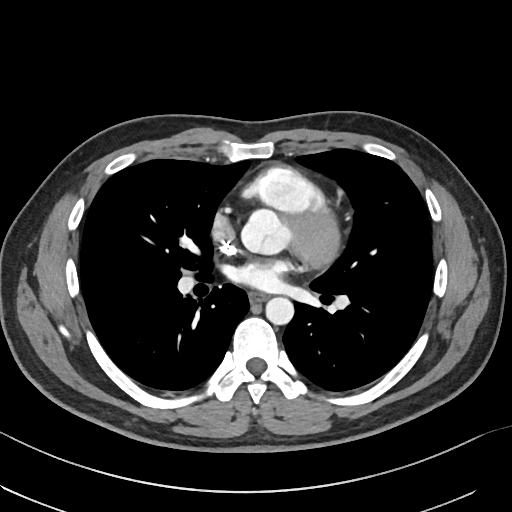

Abdominal CT; this slice is in the lower chest, just above the liver. Axial slice 231/307. 15 organs annotated in this scan (that count is for the whole scan; organs this slice misses have no box)
Of the structures in the chest, this dataset labels only the esophagus, the aorta and the inferior vena cava; the heart and lungs have no label. Boxes: x1:y1:x2:y2 in pixels. Labeled organs on this slice: esophagus at 249:292:267:302, aorta at 265:297:294:325.